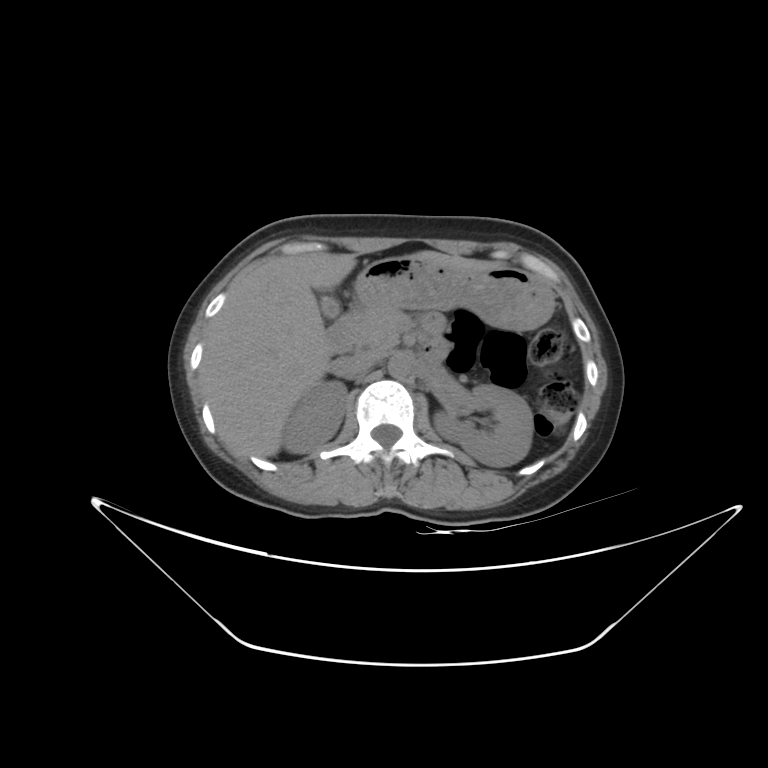
Computed tomography, abdomen — Axial slice 66/83 — Brilliance16 scanner
Each box given as x1,y1,x2,y2. 9 labeled organs on this slice — right kidney at x1=282, y1=381, x2=347, y2=453; left kidney at x1=433, y1=385, x2=533, y2=467; gall bladder at x1=320, y1=295, x2=340, y2=318; liver at x1=201, y1=250, x2=483, y2=457; stomach at x1=354, y1=256, x2=552, y2=331; aorta at x1=388, y1=353, x2=412, y2=379; inferior vena cava at x1=335, y1=352, x2=382, y2=378; pancreas at x1=354, y1=306, x2=403, y2=352; duodenum at x1=326, y1=308, x2=447, y2=360.